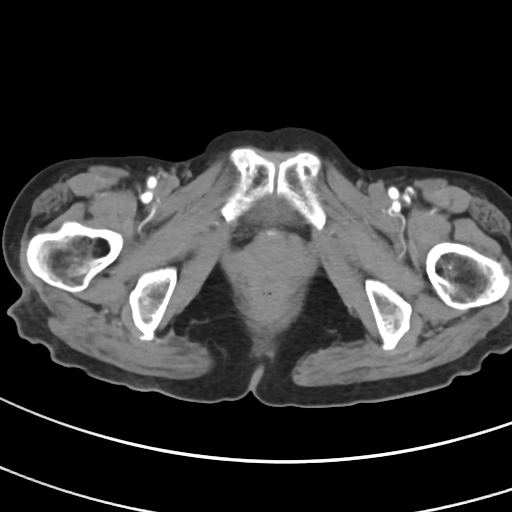 Computed tomography, abdomen — axial view — 512x512 px — SOMATOM Force scanner — scan has 15 labeled organs (a whole-scan count: organs this slice does not pass through have no box)
{"organs":{"bladder":[254,201,288,219]}}